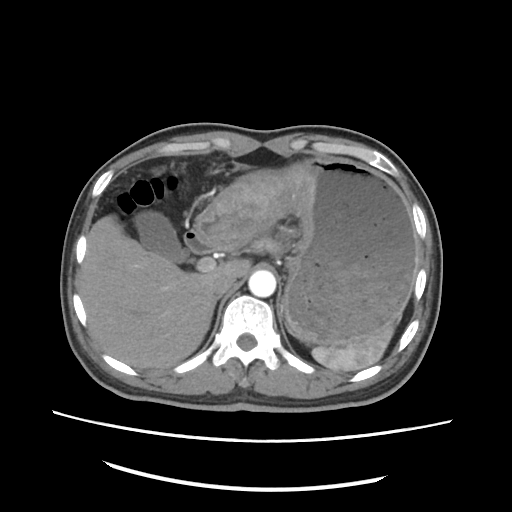

CT, abdomen/pelvis; axial view; soft-tissue window (W 400 / L 40); 54-year-old male patient; Aquilion ONE scanner; 15 organs annotated in this scan (a whole-scan count: organs this slice does not pass through have no box)
<organs><organ name="spleen" x1="312" y1="327" x2="394" y2="371"/><organ name="gall bladder" x1="133" y1="209" x2="186" y2="260"/><organ name="liver" x1="80" y1="215" x2="250" y2="369"/><organ name="stomach" x1="199" y1="159" x2="418" y2="345"/><organ name="aorta" x1="249" y1="271" x2="276" y2="296"/><organ name="inferior vena cava" x1="209" y1="273" x2="235" y2="294"/><organ name="pancreas" x1="245" y1="234" x2="283" y2="253"/><organ name="right adrenal gland" x1="210" y1="296" x2="221" y2="311"/><organ name="duodenum" x1="184" y1="226" x2="213" y2="254"/></organs>